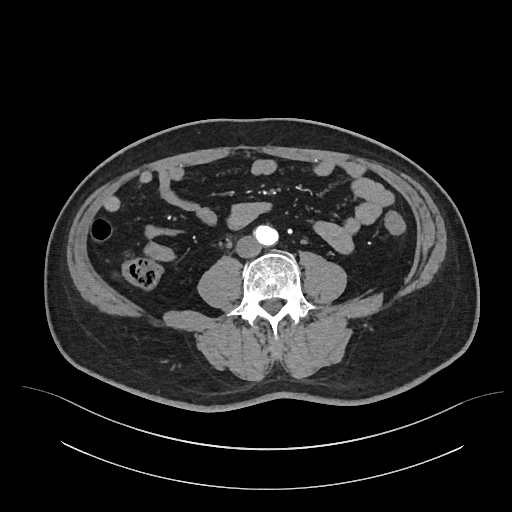
Computed tomography, abdomen · axial view · acquired on SOMATOM Force
Each box given as x1,y1,x2,y2. Labeled organs on this slice: aorta at x1=254, y1=225, x2=278, y2=245, inferior vena cava at x1=236, y1=236, x2=261, y2=257.